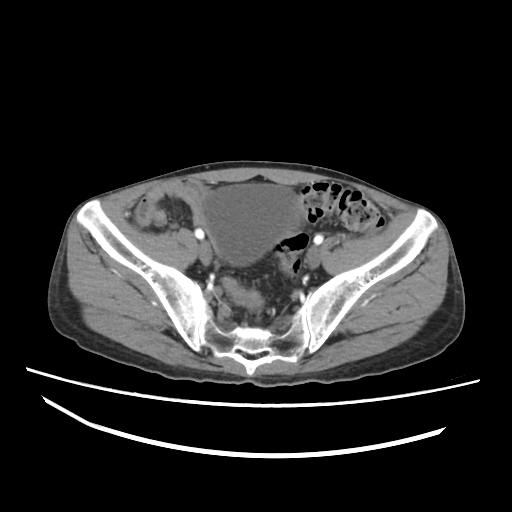

Computed tomography, abdomen. axial view
Each box given as x1,y1,x2,y2. Labeled organs on this slice: bladder at x1=203, y1=184, x2=300, y2=265.